CT of the abdomen extending into the chest, slice through the chest — Axial slice 102/124 — 512x512 px
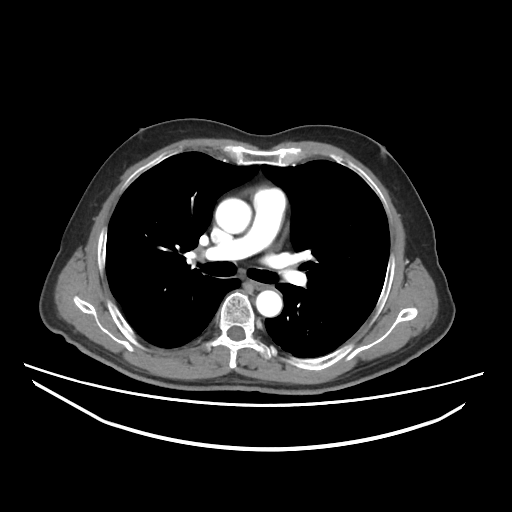
On a slice this high in the chest, this dataset labels only the esophagus and the aorta, and each is boxed only where it is labeled; the heart, lungs and other chest structures are not labeled.
{"organs":{"esophagus":[255,282,267,290],"aorta":[[215,198,251,233],[256,290,282,316]]}}